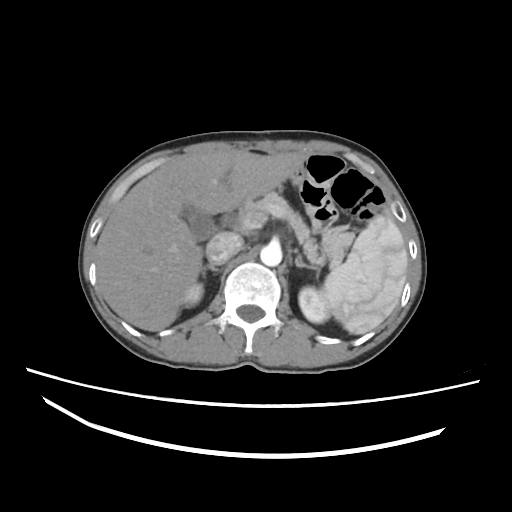

CT abdomen · axial view · 512x512 px · scan has 15 labeled organs (that count is for the whole scan; organs this slice misses have no box)
{"organs":{"spleen":[323,215,408,334],"right kidney":[182,283,203,307],"left kidney":[298,286,330,323],"gall bladder":[182,206,215,240],"liver":[96,150,306,331],"aorta":[260,244,282,266],"inferior vena cava":[206,232,243,264],"pancreas":[238,192,345,266],"right adrenal gland":[202,264,219,276],"left adrenal gland":[294,249,318,271],"duodenum":[222,214,231,223]}}